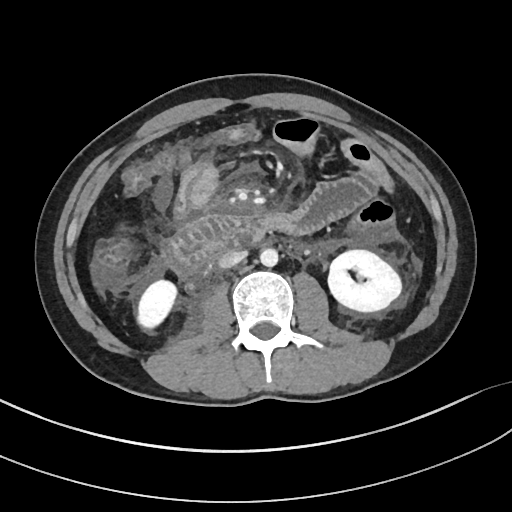 Computed tomography, abdomen · axial view · 15 organs annotated in this scan (a whole-scan count: organs this slice does not pass through have no box)
Coordinates as <box>x1,y1,x2,y2</box> in pixels.
left kidney: <box>328,250,400,310</box>
aorta: <box>259,248,278,266</box>
duodenum: <box>166,215,267,272</box>
inferior vena cava: <box>219,250,247,268</box>
right kidney: <box>138,281,177,328</box>